CT of the abdomen extending into the chest, slice through the chest · Axial slice 248/314
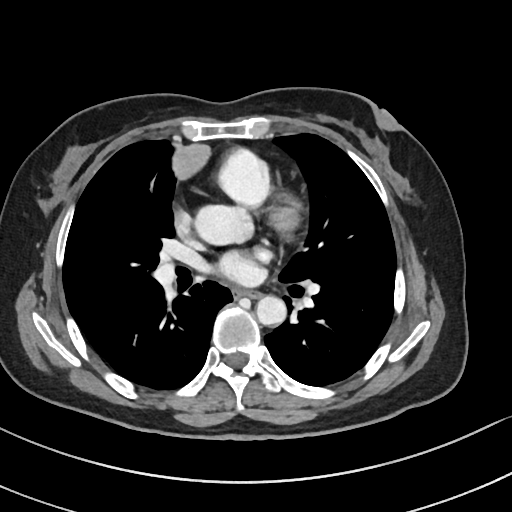
At this level of the chest this dataset labels only the esophagus and the aorta, and each is boxed only where it is labeled; the heart and lungs are never labeled.
<organs><organ name="esophagus" x1="234" y1="289" x2="260" y2="298"/><organ name="aorta" x1="196" y1="206" x2="249" y2="244"/><organ name="aorta" x1="256" y1="295" x2="286" y2="325"/></organs>